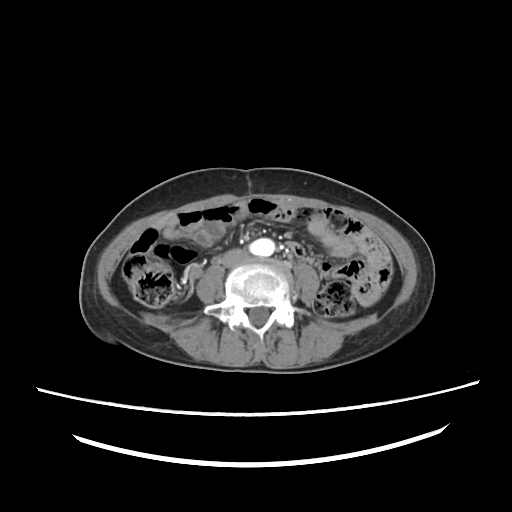 CT, abdomen/pelvis; axial view; W/L 400/40 HU; 512x512 px; 58-year-old female patient; acquired on Aquilion ONE; scan has 15 labeled organs (counted over the whole 3D scan, not this slice; an organ is boxed only where this slice passes through it)
{"organs":{"aorta":[249,238,275,256],"inferior vena cava":[222,249,248,268]}}